Computed tomography, abdomen; axial plane, index 142
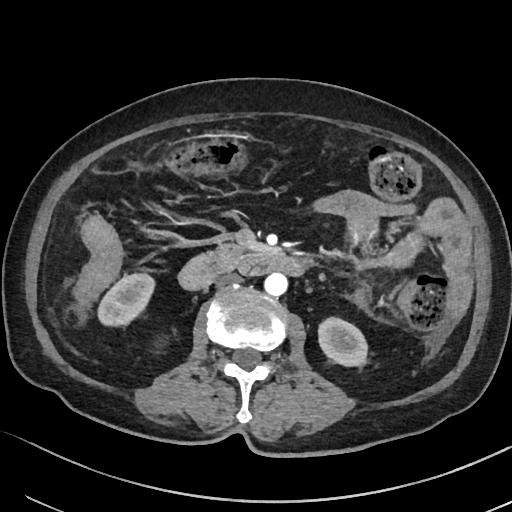
Organ boxes in pixel coordinates; each row gives the top-left (x1, y1) and bottom-right (x2, y2) corners.
| organ | x1 | y1 | x2 | y2 |
|---|---|---|---|---|
| right kidney | 97 | 272 | 155 | 324 |
| left kidney | 317 | 317 | 368 | 365 |
| aorta | 263 | 274 | 286 | 296 |
| inferior vena cava | 215 | 273 | 242 | 287 |
| pancreas | 204 | 243 | 248 | 270 |
| duodenum | 177 | 251 | 309 | 290 |